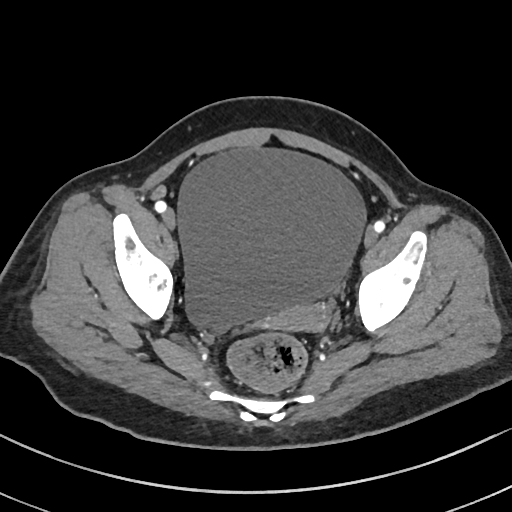
Abdominal CT; axial view; abdomen soft-tissue window
Coordinates as <box>x1,y1,x2,y2</box> in pixels.
Organ bounding boxes:
- bladder: <box>178,150,365,330</box>
- prostate/uterus: <box>272,305,327,329</box>